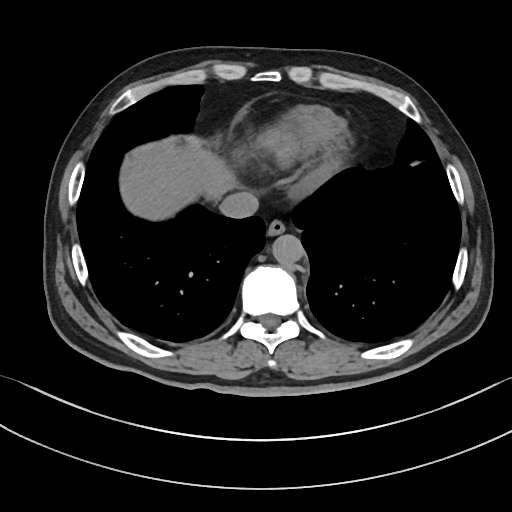
CT abdomen · Axial slice 211/231 · 15 organs annotated in this scan (a whole-scan count: organs this slice does not pass through have no box)
Bounding boxes in pixels, one row per box: x1, y1 is the top-left corner and x2, y2 the bottom-right.
| organ | x1 | y1 | x2 | y2 |
|---|---|---|---|---|
| esophagus | 267 | 218 | 286 | 235 |
| liver | 122 | 130 | 298 | 218 |
| aorta | 271 | 234 | 303 | 265 |
| inferior vena cava | 218 | 191 | 258 | 218 |